CT, abdomen/pelvis; axial view; 45-year-old male patient
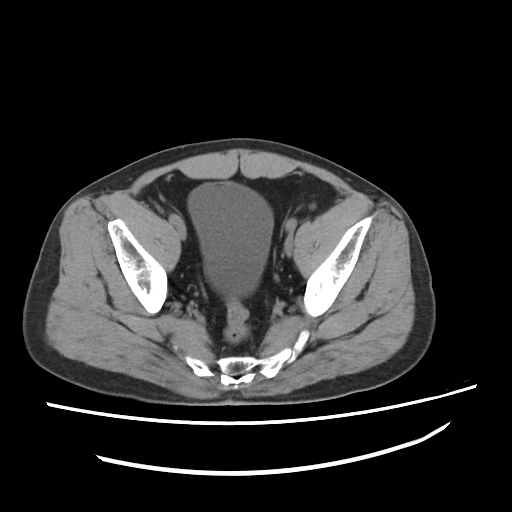

{"organs":{"bladder":[186,180,272,293]}}